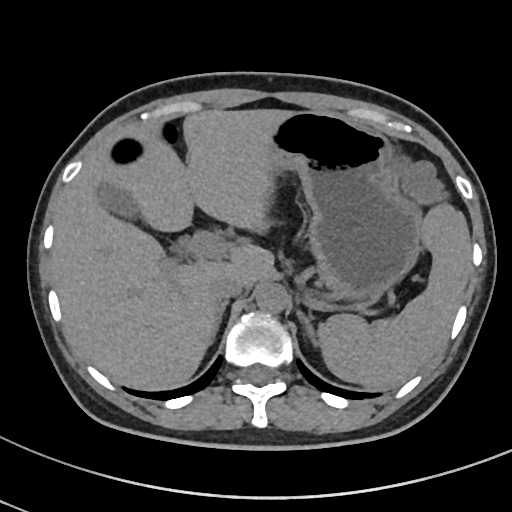 Abdominal CT. Axial slice 179/218. abdomen soft-tissue window
{"organs":{"spleen":[317,203,471,388],"gall bladder":[97,186,135,216],"liver":[52,109,293,388],"stomach":[271,111,422,296],"aorta":[255,283,288,314],"inferior vena cava":[210,274,245,299],"right adrenal gland":[209,300,228,341],"left adrenal gland":[295,308,317,345]}}